CT, abdomen/pelvis. Axial slice 53/116. W/L 400/40 HU. 512x512 px. scan has 15 labeled organs (a whole-scan count: organs this slice does not pass through have no box)
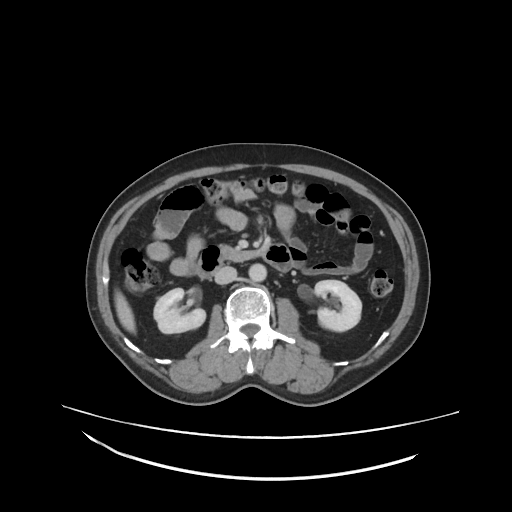 <organs><organ name="pancreas" x1="222" y1="246" x2="257" y2="261"/><organ name="aorta" x1="249" y1="263" x2="265" y2="281"/><organ name="duodenum" x1="197" y1="242" x2="293" y2="278"/><organ name="inferior vena cava" x1="214" y1="267" x2="237" y2="285"/><organ name="liver" x1="114" y1="290" x2="135" y2="332"/><organ name="right kidney" x1="154" y1="287" x2="205" y2="334"/><organ name="left kidney" x1="314" y1="279" x2="362" y2="331"/></organs>